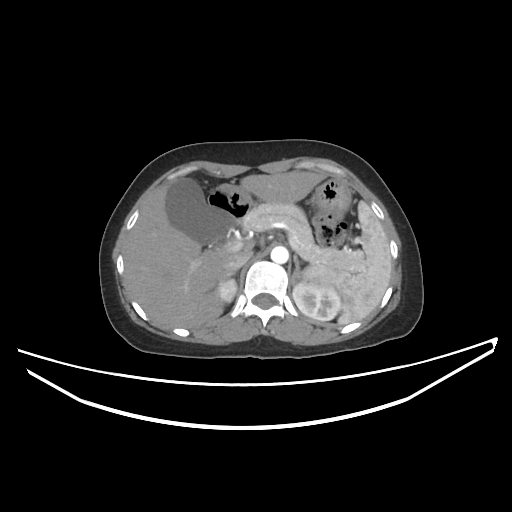
CT, abdomen/pelvis — axial view — scan has 15 labeled organs (that count is for the whole scan; organs this slice misses have no box)
<organs><organ name="spleen" x1="303" y1="201" x2="392" y2="324"/><organ name="right kidney" x1="215" y1="279" x2="236" y2="302"/><organ name="left kidney" x1="292" y1="280" x2="341" y2="320"/><organ name="gall bladder" x1="166" y1="179" x2="233" y2="244"/><organ name="liver" x1="123" y1="170" x2="325" y2="328"/><organ name="stomach" x1="217" y1="179" x2="351" y2="218"/><organ name="aorta" x1="271" y1="246" x2="288" y2="263"/><organ name="inferior vena cava" x1="225" y1="250" x2="252" y2="272"/><organ name="pancreas" x1="240" y1="203" x2="365" y2="272"/><organ name="right adrenal gland" x1="219" y1="272" x2="234" y2="281"/><organ name="left adrenal gland" x1="290" y1="254" x2="302" y2="285"/><organ name="duodenum" x1="208" y1="190" x2="248" y2="247"/></organs>